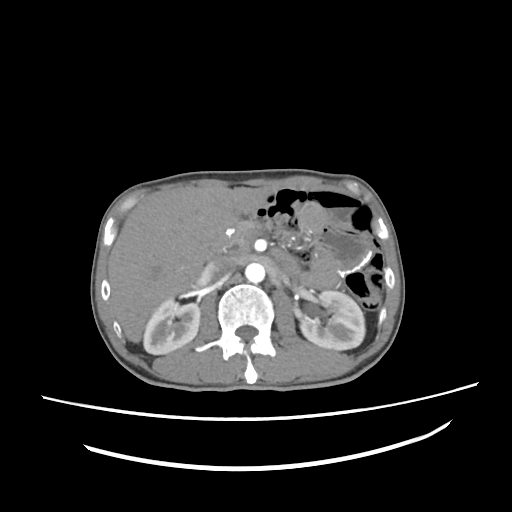 Abdominal CT · axial view
Organ boxes in pixel coordinates; each row gives the top-left (x1, y1) and bottom-right (x2, y2) corners.
| organ | x1 | y1 | x2 | y2 |
|---|---|---|---|---|
| duodenum | 208 | 237 | 226 | 256 |
| pancreas | 221 | 220 | 256 | 254 |
| liver | 108 | 187 | 273 | 342 |
| inferior vena cava | 205 | 257 | 235 | 281 |
| left kidney | 300 | 290 | 365 | 350 |
| aorta | 245 | 263 | 264 | 283 |
| right kidney | 143 | 298 | 200 | 354 |